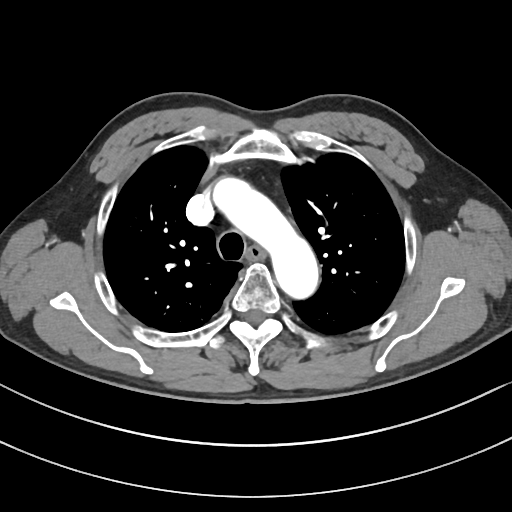
Abdominal CT reaching into the chest; this slice is in the chest. axial plane, index 243. soft-tissue window (W 400 / L 40)
At this level of the chest this dataset labels only the esophagus and the aorta, and each is boxed only where it is labeled; the heart and lungs are never labeled.
<organs><organ name="esophagus" x1="247" y1="246" x2="264" y2="259"/><organ name="aorta" x1="214" y1="179" x2="318" y2="298"/></organs>